Computed tomography, abdomen · axial plane, index 72 · abdomen soft-tissue window · 67-year-old male patient
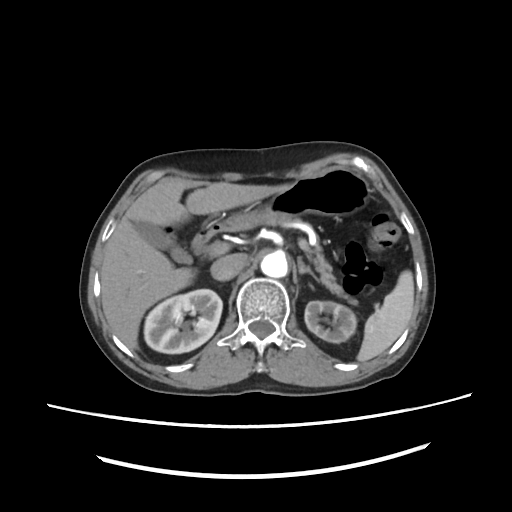 Bounding boxes as [x1, y1, x2, y2] in pixel coordinates. 11 labeled organs on this slice — spleen at [356, 271, 413, 362]; right kidney at [143, 288, 223, 354]; left kidney at [305, 301, 357, 343]; gall bladder at [134, 221, 191, 263]; liver at [99, 180, 288, 348]; stomach at [223, 165, 368, 229]; aorta at [260, 252, 288, 277]; inferior vena cava at [211, 255, 244, 279]; pancreas at [313, 241, 350, 300]; left adrenal gland at [297, 257, 321, 281]; duodenum at [192, 221, 225, 251].